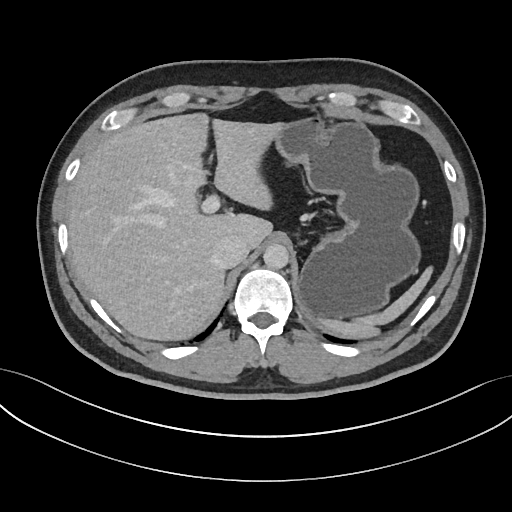

CT, abdomen/pelvis. axial plane, index 209. acquired on SOMATOM Force. scan has 15 labeled organs (counted over the whole 3D scan, not this slice; an organ is boxed only where this slice passes through it)
Each box given as x1,y1,x2,y2. Labeled organs on this slice: spleen at x1=315, y1=265, x2=434, y2=338, liver at x1=66, y1=113, x2=281, y2=340, stomach at x1=255, y1=116, x2=418, y2=320, aorta at x1=263, y1=243, x2=288, y2=269, inferior vena cava at x1=213, y1=235, x2=248, y2=268.